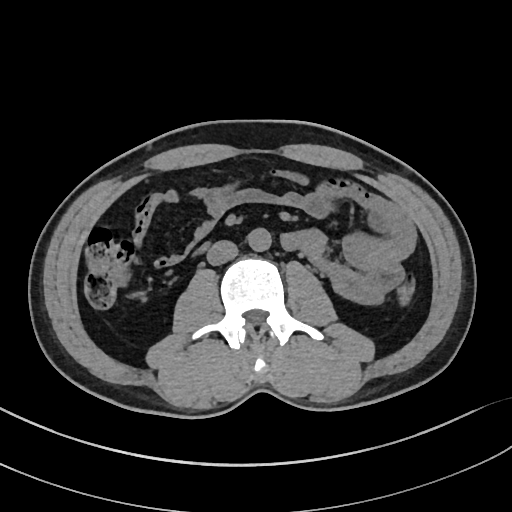 CT abdomen. axial view. soft-tissue window. 512x512 px
One row per box, in pixels: columns x1 and y1 give the top-left corner, x2 and y2 the bottom-right.
| organ | x1 | y1 | x2 | y2 |
|---|---|---|---|---|
| aorta | 248 | 228 | 271 | 252 |
| inferior vena cava | 206 | 240 | 238 | 265 |